CT abdomen — axial view — 39-year-old male patient
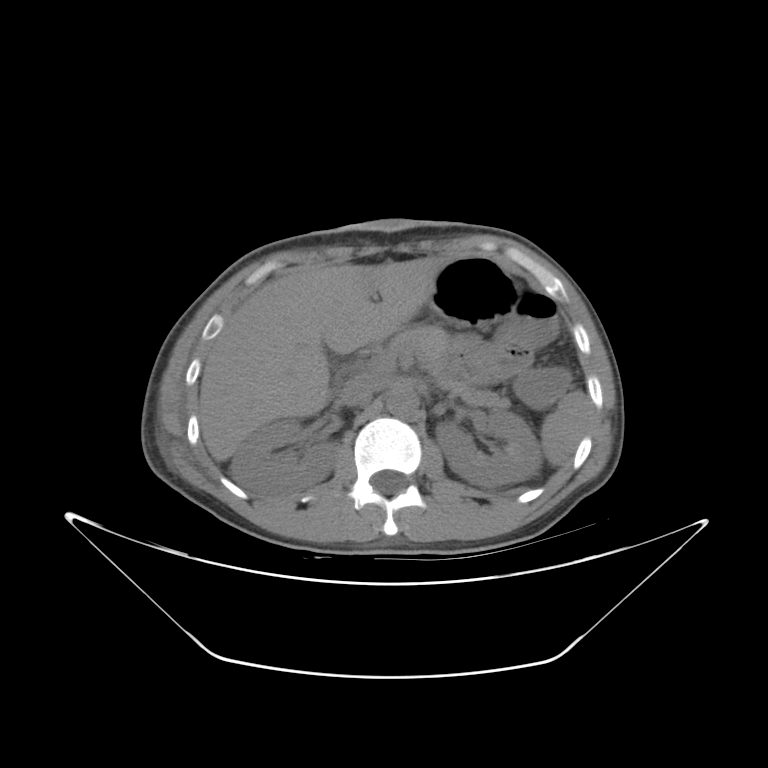 {"organs":{"inferior vena cava":[340,376,381,406],"pancreas":[388,325,509,407],"stomach":[428,256,518,326],"aorta":[386,388,418,417],"left kidney":[435,410,541,487],"liver":[199,257,449,461],"right kidney":[230,418,336,498],"spleen":[540,390,588,466]}}